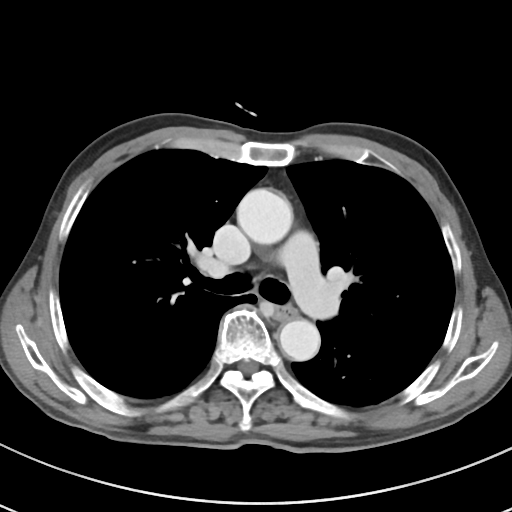

Abdominal CT reaching into the chest; this slice is in the chest; axial view; 512x512 px
At this level of the chest this dataset labels only the esophagus and the aorta, and each is boxed only where it is labeled; the heart and lungs are never labeled.
Boxes: x1 y1 x2 y2 (pixel coords, space-separated).
Organ bounding boxes:
- esophagus: 275 304 296 320
- aorta: 236 188 292 244
- aorta: 279 319 320 361